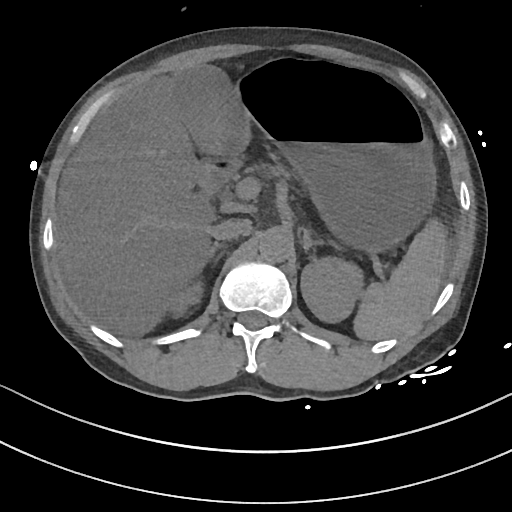 Computed tomography, abdomen; axial plane, index 177; acquired on SOMATOM Force
Coordinates as <box>x1,y1,x2,y2</box> in pixels.
liver: <box>56,70,218,336</box>
right adrenal gland: <box>204,242,222,270</box>
right kidney: <box>175,287,201,312</box>
left kidney: <box>301,257,362,321</box>
duodenum: <box>200,158,237,193</box>
stomach: <box>241,68,437,255</box>
inferior vena cava: <box>211,218,250,240</box>
spleen: <box>353,222,446,340</box>
aorta: <box>258,227,293,263</box>
gall bladder: <box>176,65,249,157</box>
left adrenal gland: <box>303,229,323,251</box>